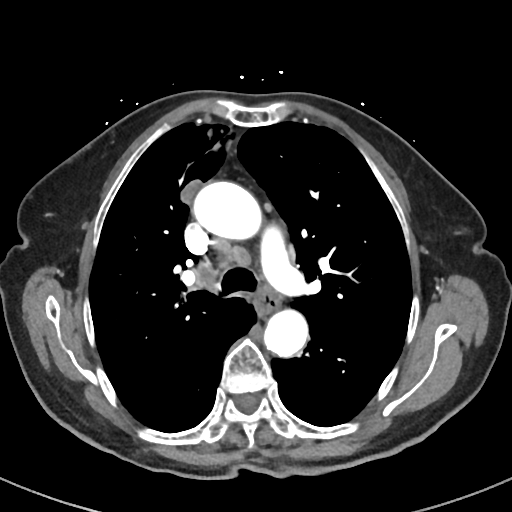

Chest-level CT slice, above the liver and spleen; axial view; SOMATOM Force scanner
At this level of the chest no structure but the esophagus and the aorta has a label in this dataset, and those two are boxed only where they are labeled.
Each box given as x1,y1,x2,y2.
Organ bounding boxes:
- esophagus: x1=255, y1=284, x2=279, y2=315
- aorta: x1=195, y1=181, x2=264, y2=241
- aorta: x1=264, y1=306, x2=308, y2=356